Computed tomography, abdomen; axial plane, index 72; abdomen soft-tissue window; 512x512 px; scan has 14 labeled organs (a whole-scan count: organs this slice does not pass through have no box)
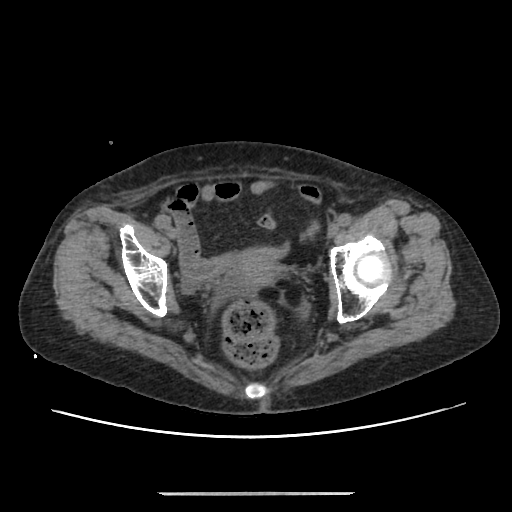
Box edges are left/top/right/bottom in pixels. The annotated organs in this slice are: prostate/uterus at left=231, top=252, right=281, bottom=291.